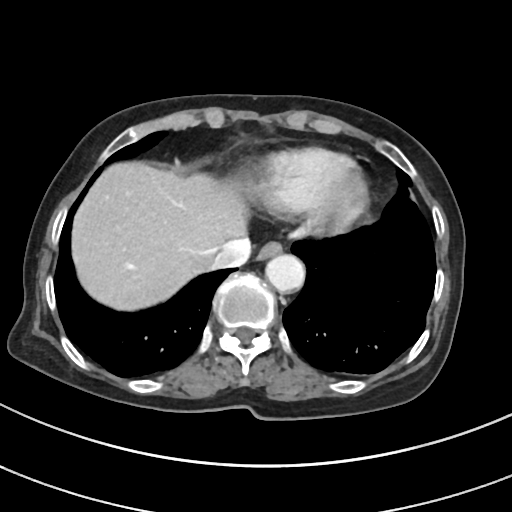

CT abdomen. Axial slice 181/284. 512x512 px
Box edges are left/top/right/bottom in pixels. Labeled organs on this slice: esophagus at left=257, top=241, right=282, bottom=260, inferior vena cava at left=211, top=237, right=251, bottom=269, liver at left=72, top=161, right=246, bottom=310, aorta at left=265, top=254, right=304, bottom=292.